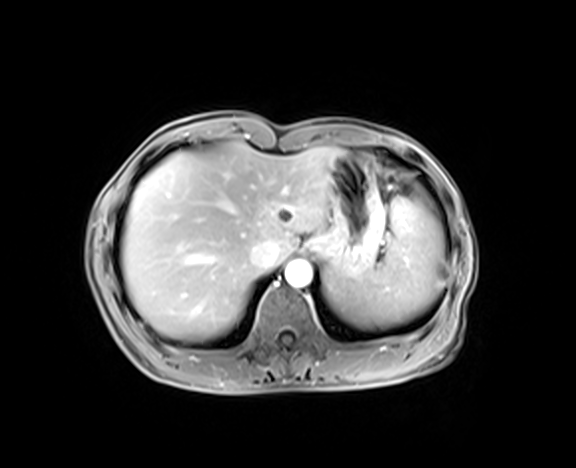

Abdominal MRI · Axial slice 58/72 · 576x468 px
Bounding boxes in pixels, one row per box: x1, y1 is the top-left corner and x2, y2 the bottom-right.
| organ | x1 | y1 | x2 | y2 |
|---|---|---|---|---|
| inferior vena cava | 250 | 241 | 276 | 269 |
| spleen | 326 | 194 | 443 | 327 |
| aorta | 285 | 261 | 312 | 287 |
| stomach | 305 | 154 | 385 | 279 |
| liver | 121 | 142 | 343 | 339 |